Computed tomography, abdomen. axial view. soft-tissue window. 512x512 px. acquired on SOMATOM Force. scan has 15 labeled organs (counted over the whole 3D scan, not this slice; an organ is boxed only where this slice passes through it)
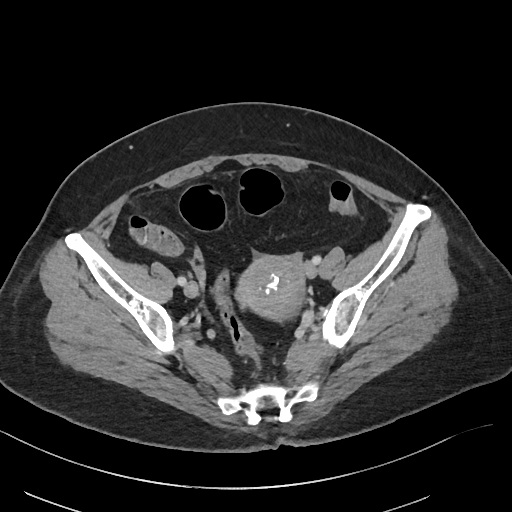
{"organs":{"prostate/uterus":[236,256,304,320]}}